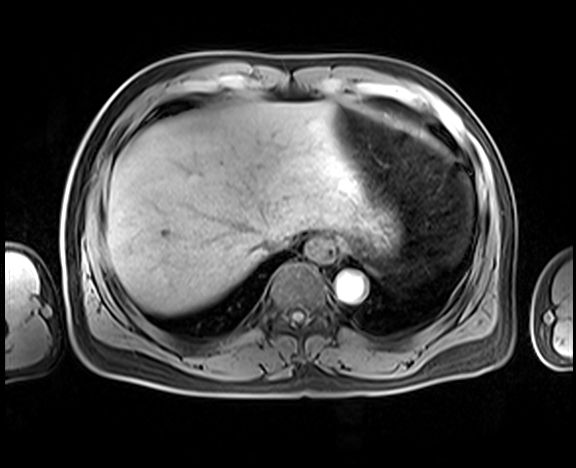 Magnetic resonance imaging, abdomen. axial plane, index 58. 13 organs annotated in this scan (a whole-scan count: organs this slice does not pass through have no box)
Bounding boxes as [x1, y1, x2, y2] in pixel coordinates.
esophagus: [302, 237, 336, 264]
liver: [106, 102, 366, 314]
stomach: [345, 196, 400, 258]
aorta: [336, 272, 365, 301]
inferior vena cava: [259, 231, 297, 254]